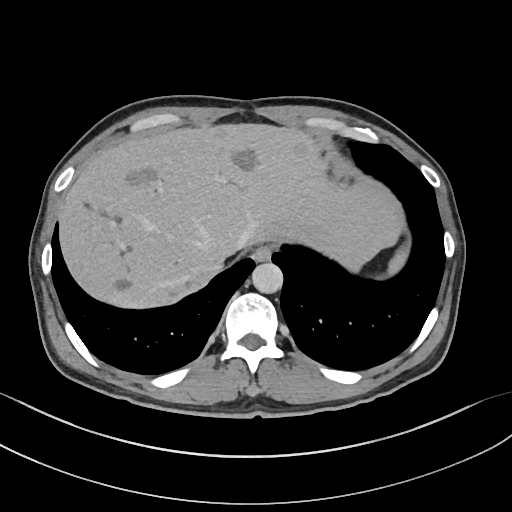
CT, abdomen/pelvis. Axial slice 203/230. W/L 400/40 HU. 512x512 px
Box edges are left/top/right/bottom in pixels. Labeled organs on this slice: spleen at left=389, top=249, right=408, bottom=275, esophagus at left=252, top=245, right=271, bottom=261, liver at left=60, top=124, right=405, bottom=308, aorta at left=252, top=262, right=283, bottom=293, inferior vena cava at left=206, top=258, right=223, bottom=273.